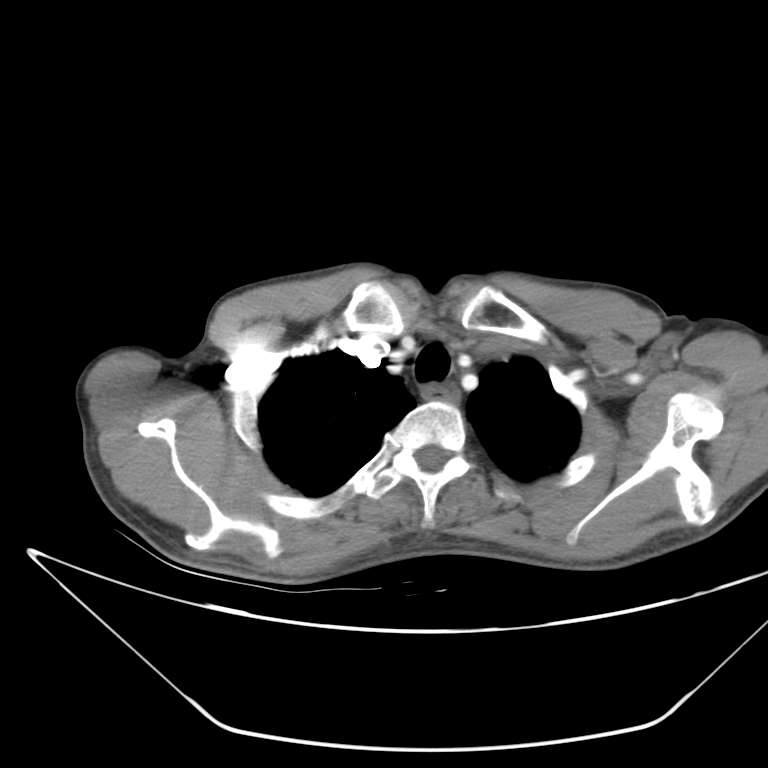 Abdominal CT reaching into the chest; this slice is in the chest; Axial slice 96/103; soft-tissue window (W 400 / L 40); 62-year-old male patient
At this level of the chest no structure but the esophagus and the aorta has a label in this dataset, and those two are boxed only where they are labeled. Boxes: x1 y1 x2 y2 (pixel coords, space-separated). Labeled organs on this slice: esophagus at 422 386 460 400.